CT abdomen; axial view; soft-tissue window (W 400 / L 40); 40-year-old male patient
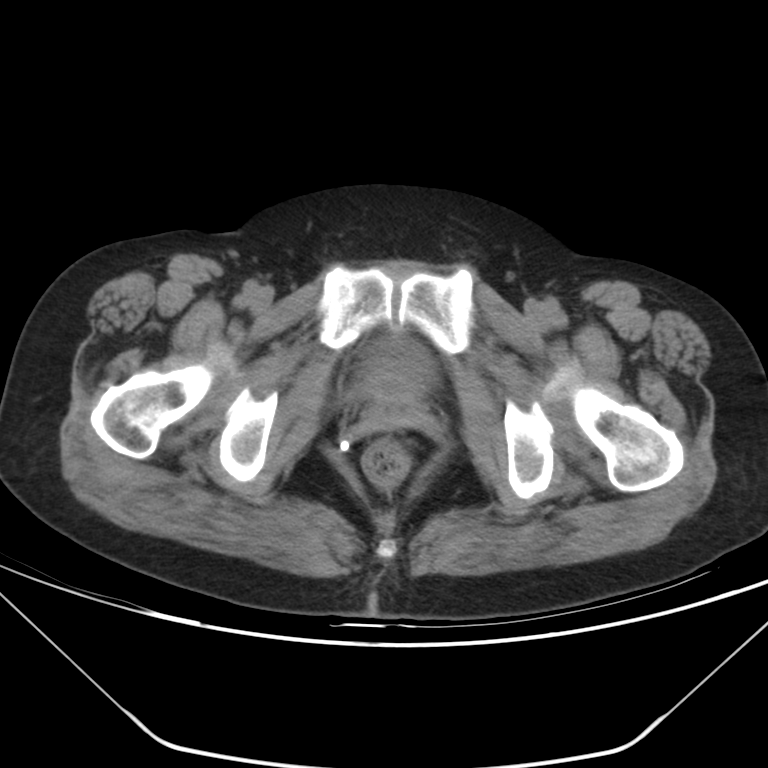
<organs><organ name="bladder" x1="357" y1="339" x2="433" y2="397"/><organ name="prostate/uterus" x1="370" y1="396" x2="420" y2="425"/></organs>